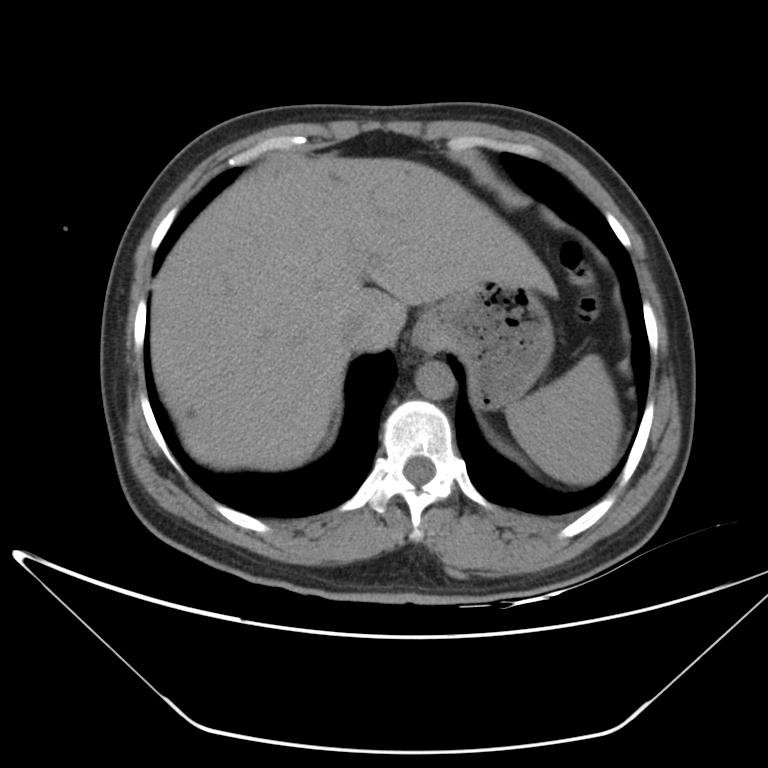
Abdominal CT. axial plane, index 70. 42-year-old male patient. scan has 15 labeled organs (a whole-scan count: organs this slice does not pass through have no box)
<organs><organ name="spleen" x1="506" y1="354" x2="622" y2="484"/><organ name="liver" x1="150" y1="154" x2="556" y2="470"/><organ name="stomach" x1="414" y1="280" x2="554" y2="408"/><organ name="aorta" x1="415" y1="360" x2="454" y2="399"/><organ name="inferior vena cava" x1="341" y1="317" x2="371" y2="349"/></organs>